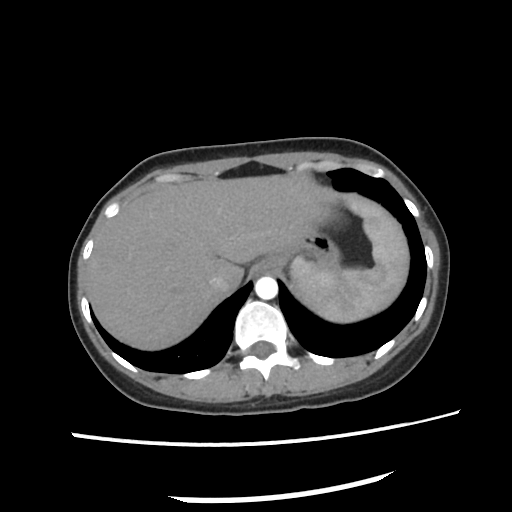
Computed tomography, abdomen. axial view. 512x512 px
Box edges are left/top/right/bottom in pixels. The annotated organs in this slice are: spleen at left=289, top=194, right=407, bottom=324, liver at left=85, top=175, right=344, bottom=349, stomach at left=253, top=230, right=340, bottom=278, aorta at left=256, top=278, right=276, bottom=298, inferior vena cava at left=207, top=278, right=229, bottom=291.